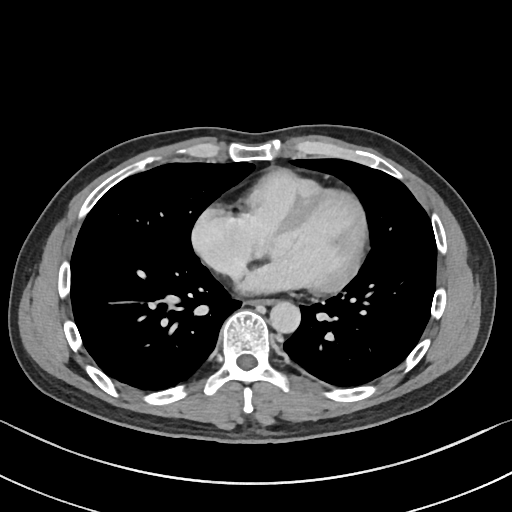
CT of the abdomen reaching into the lower chest, slice just above the liver and spleen. Axial slice 203/291. scan has 15 labeled organs (a whole-scan count: organs this slice does not pass through have no box)
No part of the heart or lungs is labeled in this dataset, so neither has a box here. Coordinates as <box>x1,y1,x2,y2</box> in pixels. 2 labeled organs on this slice — aorta at <box>270,301,300,332</box>; esophagus at <box>251,298,274,304</box>.